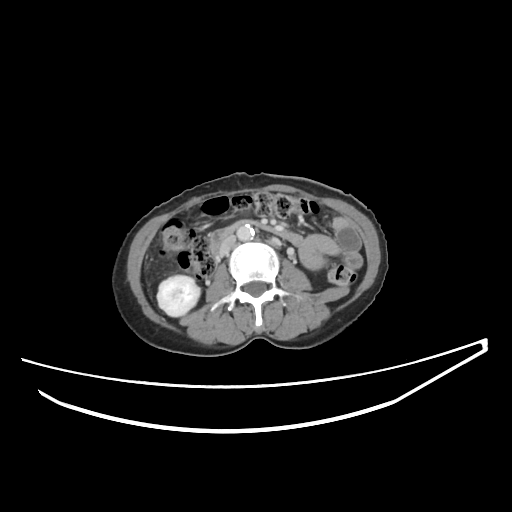
CT, abdomen/pelvis; axial plane, index 49; Aquilion ONE scanner
Bounding boxes in pixels, one row per box: x1, y1 is the top-left corner and x2, y2 the bottom-right.
| organ | x1 | y1 | x2 | y2 |
|---|---|---|---|---|
| inferior vena cava | 218 | 235 | 235 | 256 |
| aorta | 237 | 225 | 254 | 240 |
| right kidney | 157 | 275 | 200 | 316 |
| duodenum | 210 | 221 | 302 | 254 |